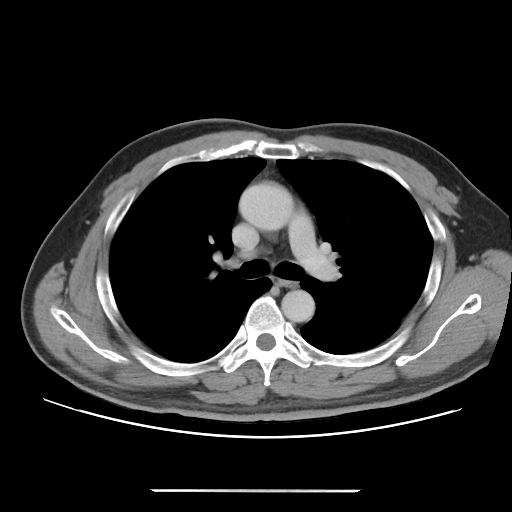 Abdominal CT reaching into the chest; this slice is in the chest — axial view — 15 organs annotated in this scan (counted over the whole 3D scan, not this slice; an organ is boxed only where this slice passes through it)
At this level of the chest this dataset labels only the esophagus and the aorta, and each is boxed only where it is labeled; the heart and lungs are never labeled.
Box edges are left/top/right/bottom in pixels.
Organ bounding boxes:
- esophagus: left=276, top=279, right=296, bottom=287
- aorta: left=239, top=182, right=293, bottom=230
- aorta: left=281, top=290, right=314, bottom=322